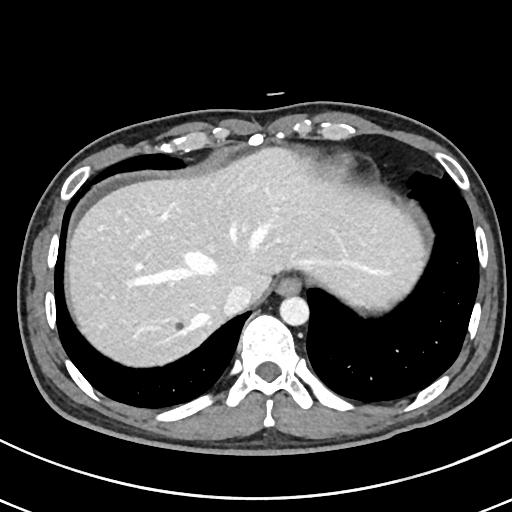 CT abdomen — Axial slice 192/218 — 512x512 px — acquired on SOMATOM Force
One row per box, in pixels: columns x1 and y1 give the top-left corner, x2 and y2 the bottom-right.
| organ | x1 | y1 | x2 | y2 |
|---|---|---|---|---|
| esophagus | 276 | 277 | 301 | 295 |
| liver | 67 | 147 | 426 | 366 |
| aorta | 280 | 295 | 309 | 325 |
| inferior vena cava | 222 | 285 | 252 | 315 |